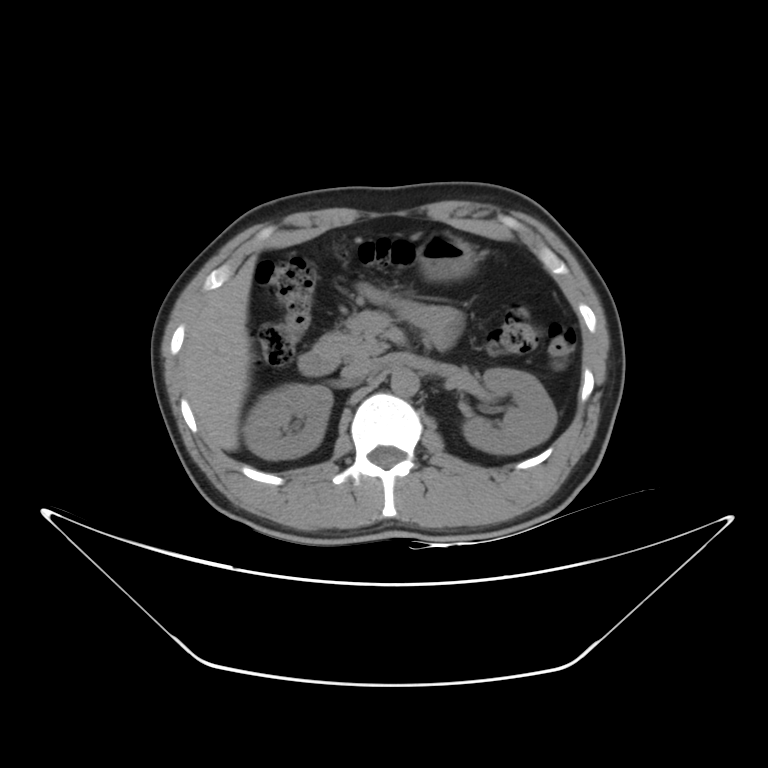

Abdominal CT · axial view · soft-tissue window · 768x768 px · 37-year-old male patient · acquired on Brilliance16
Bounding boxes in pixels, one row per box: x1, y1 is the top-left corner and x2, y2 the bottom-right.
| organ | x1 | y1 | x2 | y2 |
|---|---|---|---|---|
| inferior vena cava | 342 | 359 | 381 | 378 |
| liver | 183 | 255 | 256 | 450 |
| left kidney | 463 | 368 | 556 | 454 |
| stomach | 416 | 231 | 472 | 280 |
| duodenum | 298 | 351 | 338 | 376 |
| aorta | 391 | 369 | 419 | 395 |
| pancreas | 314 | 311 | 388 | 359 |
| right kidney | 243 | 385 | 332 | 459 |